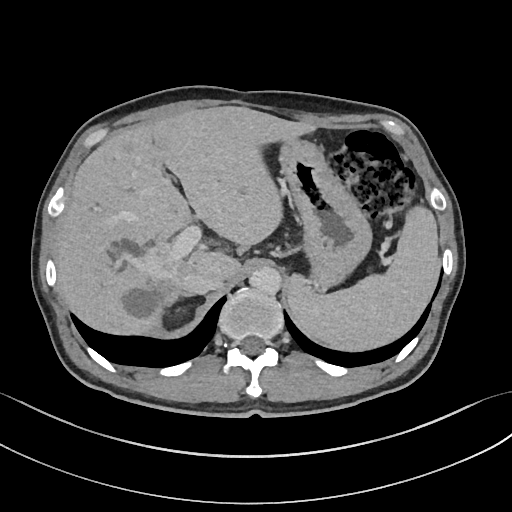
Abdominal CT; axial view
{"organs":{"right adrenal gland":[165,291,181,306],"liver":[55,106,315,334],"aorta":[249,266,281,294],"spleen":[287,205,439,351],"inferior vena cava":[184,272,224,295],"stomach":[278,138,371,293]}}